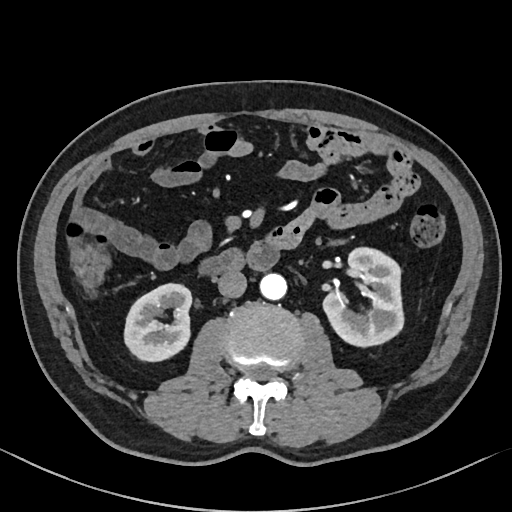

Computed tomography, abdomen; Axial slice 127/245; W/L 400/40 HU
Bounding boxes as [x1, y1, x2, y2] in pixel coordinates.
Organ bounding boxes:
- right kidney: [124, 283, 191, 361]
- aorta: [260, 273, 286, 300]
- duodenum: [198, 241, 280, 275]
- inferior vena cava: [218, 270, 246, 297]
- left kidney: [323, 247, 403, 346]